Abdominal CT — axial view — 512x512 px — 14 organs annotated in this scan (a whole-scan count: organs this slice does not pass through have no box)
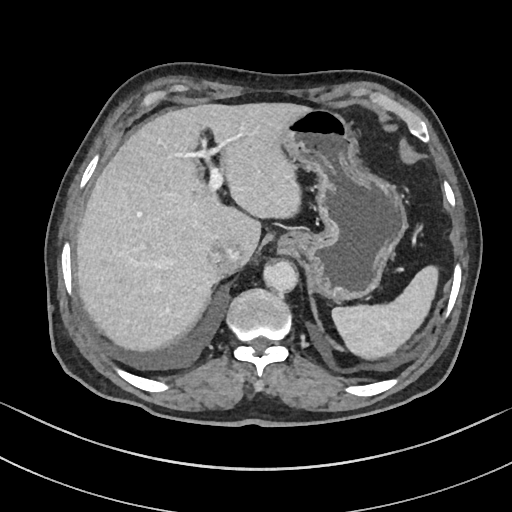 Boxes: x1 y1 x2 y2 (pixel coords, space-separated).
Organ bounding boxes:
- liver: 76 103 307 351
- inferior vena cava: 209 239 240 273
- aorta: 263 260 298 292
- spleen: 332 266 438 359
- stomach: 278 108 406 301